CT, abdomen/pelvis · Axial slice 120/207 · 512x512 px · scan has 15 labeled organs (that count is for the whole scan; organs this slice misses have no box)
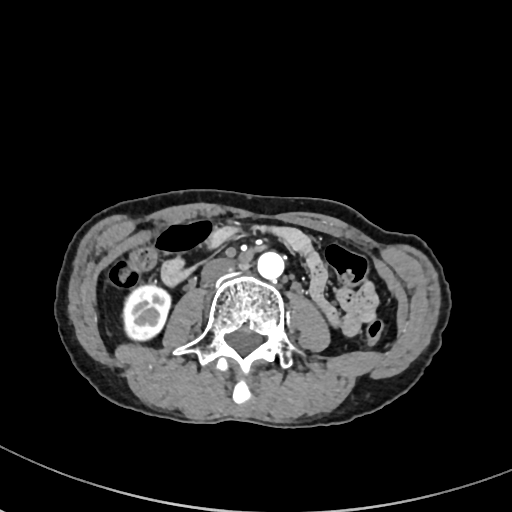

Boxes are (x1, y1, x2, y2) in pixels.
Organ bounding boxes:
- right kidney: (124, 287, 170, 341)
- aorta: (257, 251, 284, 279)
- inferior vena cava: (201, 259, 235, 283)